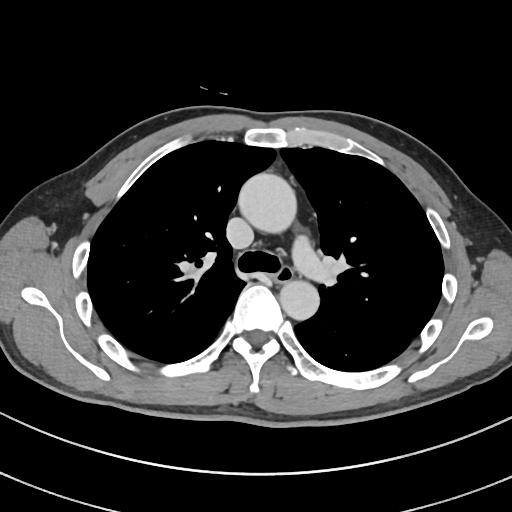
Abdominal CT reaching into the chest; this slice is in the chest · axial view · soft-tissue window · 512x512 px · SOMATOM Force scanner
At this level of the chest this dataset labels only the esophagus and the aorta, and each is boxed only where it is labeled; the heart and lungs are never labeled. Bounding boxes as [x1, y1, x2, y2] in pixel coordinates. 2 labeled organs on this slice — aorta at [237, 172, 296, 231]; aorta at [280, 280, 319, 320]; esophagus at [272, 268, 293, 283].